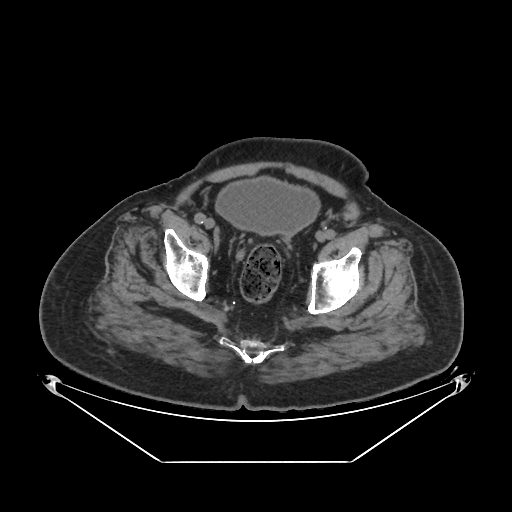

CT abdomen · axial view · 512x512 px
Organ boxes in pixel coordinates; each row gives the top-left (x1, y1) and bottom-right (x2, y2) corners.
| organ | x1 | y1 | x2 | y2 |
|---|---|---|---|---|
| bladder | 215 | 175 | 320 | 234 |